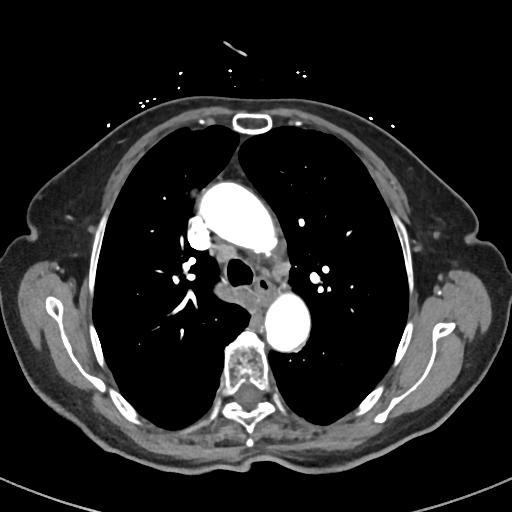
Abdominal CT reaching into the chest; this slice is in the chest; axial view
At this level of the chest this dataset labels only the esophagus and the aorta, and each is boxed only where it is labeled; the heart and lungs are never labeled.
Boxes: x1:y1:x2:y2 in pixels.
Organ bounding boxes:
- aorta: 198:181:276:255
- aorta: 265:294:310:353
- esophagus: 255:279:276:306